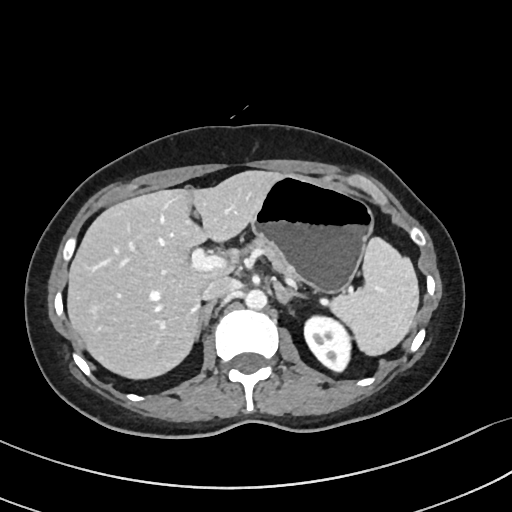 CT abdomen; Axial slice 144/175; soft-tissue window; 512x512 px
Boxes: x1:y1:x2:y2 in pixels. The annotated organs in this slice are: spleen at 330:237:419:355, left kidney at 304:316:350:371, liver at 67:170:282:379, stomach at 251:174:373:293, aorta at 245:289:267:309, inferior vena cava at 202:276:235:301, pancreas at 241:240:289:275, right adrenal gland at 196:302:214:339, left adrenal gland at 274:283:306:303.